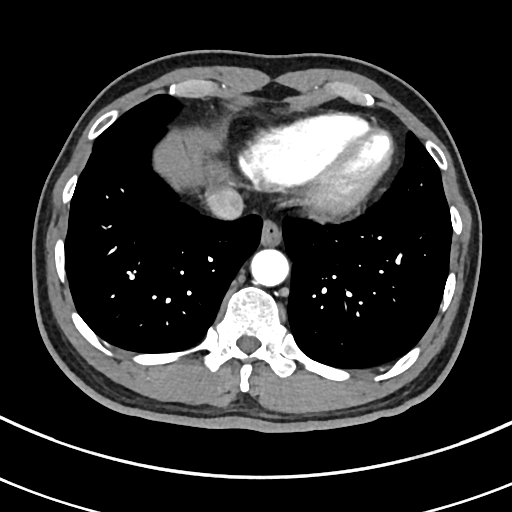
CT, abdomen/pelvis; axial view; 512x512 px
Boxes are (x1, y1, x2, y2) in pixels.
Organ bounding boxes:
- esophagus: (261, 218, 281, 245)
- liver: (155, 131, 221, 186)
- aorta: (250, 248, 288, 286)
- inferior vena cava: (205, 188, 244, 220)